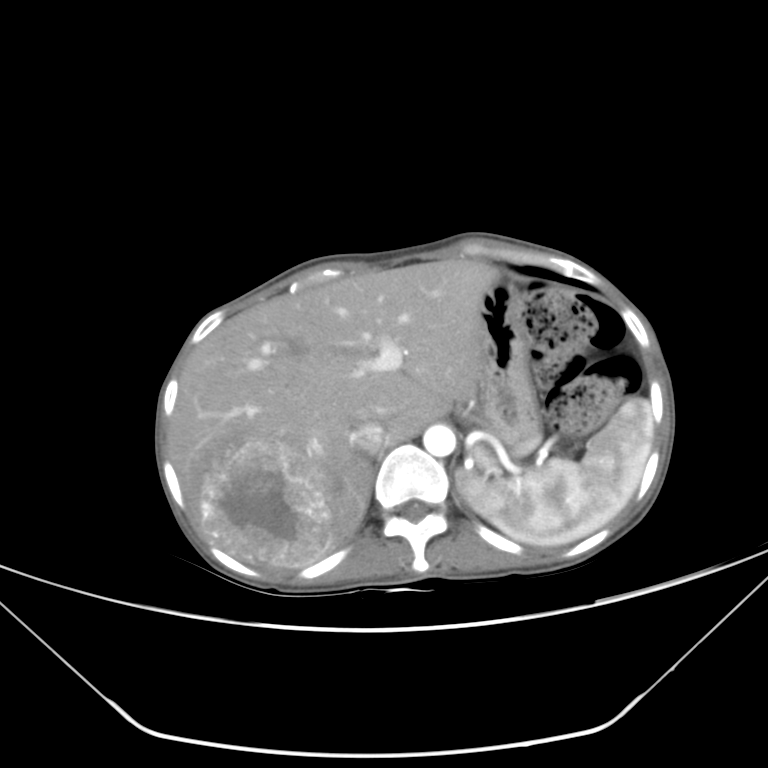

CT, abdomen/pelvis · axial view · abdomen soft-tissue window · 32-year-old female patient · 15 organs annotated in this scan (counted over the whole 3D scan, not this slice; an organ is boxed only where this slice passes through it)
<organs><organ name="spleen" x1="456" y1="398" x2="653" y2="545"/><organ name="liver" x1="169" y1="259" x2="499" y2="570"/><organ name="stomach" x1="468" y1="279" x2="540" y2="456"/><organ name="aorta" x1="423" y1="424" x2="455" y2="457"/><organ name="inferior vena cava" x1="353" y1="421" x2="387" y2="454"/></organs>